CT abdomen. axial view. 47-year-old male patient. acquired on Aquilion ONE
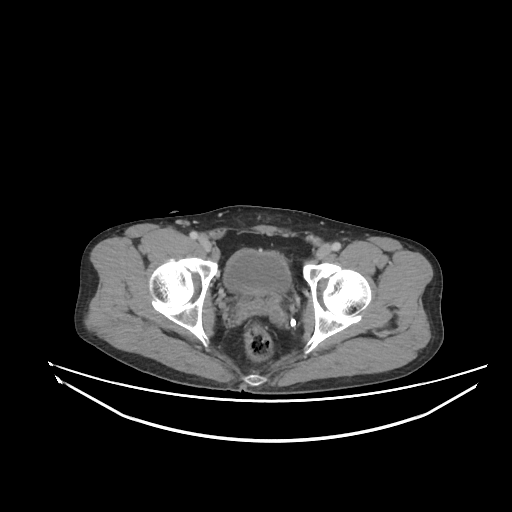 Boxes are (x1, y1, x2, y2) in pixels. The annotated organs in this slice are: bladder at (223, 249, 290, 291).